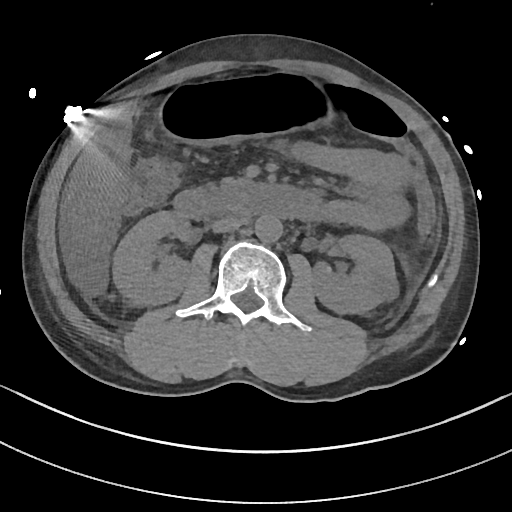
Abdominal CT · axial view · W/L 400/40 HU · 512x512 px · acquired on SOMATOM Force · 15 organs annotated in this scan (a whole-scan count: organs this slice does not pass through have no box)
Box edges are left/top/right/bottom in pixels.
Organ bounding boxes:
- aorta: left=254, top=213, right=281, bottom=241
- right kidney: left=112, top=210, right=191, bottom=303
- stomach: left=159, top=77, right=331, bottom=144
- liver: left=70, top=102, right=135, bottom=236
- duodenum: left=175, top=180, right=309, bottom=219
- left kidney: left=311, top=234, right=400, bottom=313
- inferior vena cava: left=211, top=216, right=242, bottom=232